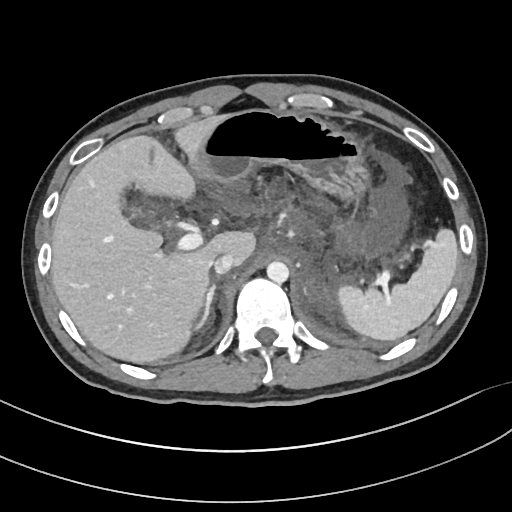

Abdominal CT — axial view — W/L 400/40 HU — SOMATOM Force scanner — scan has 15 labeled organs (counted over the whole 3D scan, not this slice; an organ is boxed only where this slice passes through it)
{"organs":{"right adrenal gland":[195,283,215,329],"spleen":[337,228,457,340],"gall bladder":[132,208,149,220],"aorta":[266,261,289,283],"liver":[52,116,256,363],"stomach":[194,109,377,260],"inferior vena cava":[214,253,233,275]}}